Computed tomography, abdomen. axial view. soft-tissue window. 512x512 px
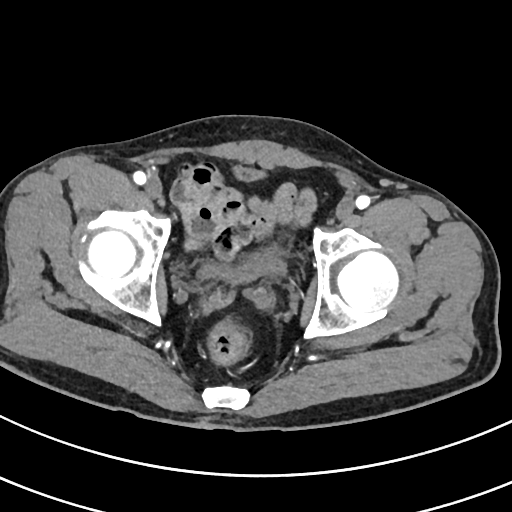 <organs><organ name="bladder" x1="197" y1="166" x2="286" y2="280"/></organs>